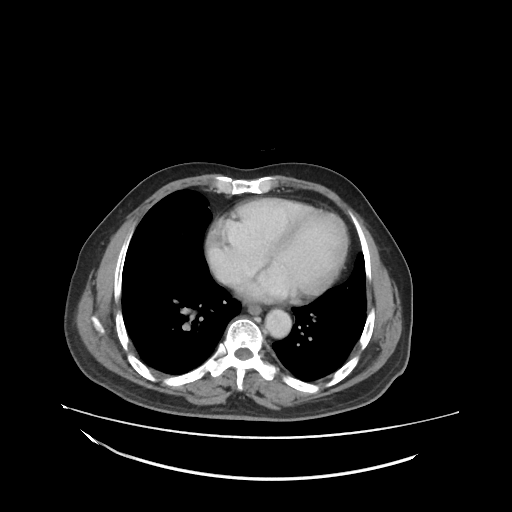
CT of the abdomen reaching into the lower chest, slice just above the liver and spleen — axial plane, index 84 — soft-tissue window (W 400 / L 40) — 512x512 px
No part of the heart or lungs is labeled in this dataset, so neither has a box here.
Organ boxes in pixel coordinates; each row gives the top-left (x1, y1) and bottom-right (x2, y2) corners.
| organ | x1 | y1 | x2 | y2 |
|---|---|---|---|---|
| aorta | 265 | 308 | 290 | 337 |
| esophagus | 249 | 305 | 261 | 314 |